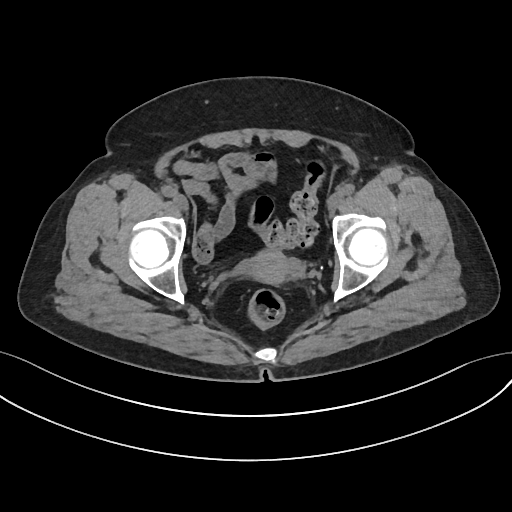

Abdominal CT. axial view. 15 organs annotated in this scan (that count is for the whole scan; organs this slice misses have no box)
Boxes are (x1, y1, x2, y2) in pixels.
Organ bounding boxes:
- prostate/uterus: (245, 250, 288, 285)